Computed tomography, abdomen. axial plane, index 152. soft-tissue window
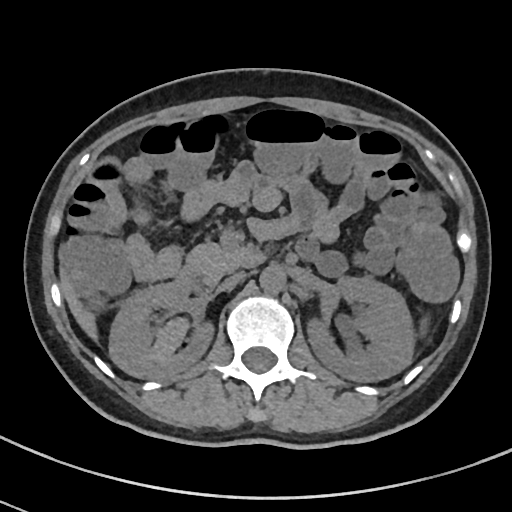

Each box given as x1,y1,x2,y2.
Organ bounding boxes:
- right kidney: x1=107, y1=281, x2=212, y2=378
- left kidney: x1=307, y1=275, x2=414, y2=381
- liver: x1=61, y1=268, x2=95, y2=336
- aorta: x1=259, y1=265, x2=285, y2=292
- inferior vena cava: x1=217, y1=272, x2=244, y2=291
- pancreas: x1=187, y1=242, x2=251, y2=283
- duodenum: x1=175, y1=250, x2=262, y2=293